Computed tomography, abdomen; axial view; 15 organs annotated in this scan (that count is for the whole scan; organs this slice misses have no box)
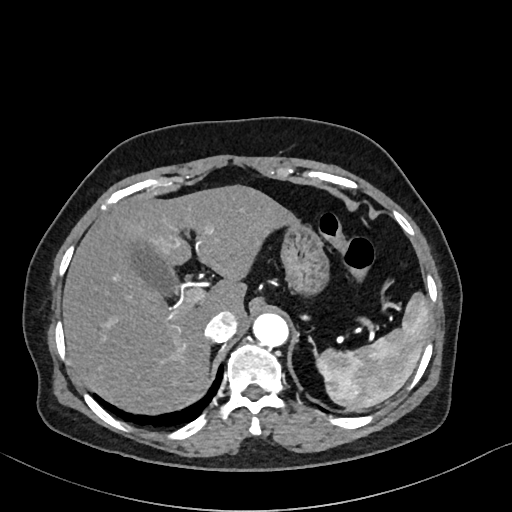
<organs><organ name="spleen" x1="316" y1="291" x2="430" y2="411"/><organ name="gall bladder" x1="130" y1="243" x2="178" y2="298"/><organ name="liver" x1="62" y1="185" x2="296" y2="415"/><organ name="stomach" x1="279" y1="220" x2="327" y2="291"/><organ name="aorta" x1="252" y1="313" x2="287" y2="346"/><organ name="inferior vena cava" x1="204" y1="311" x2="237" y2="341"/></organs>